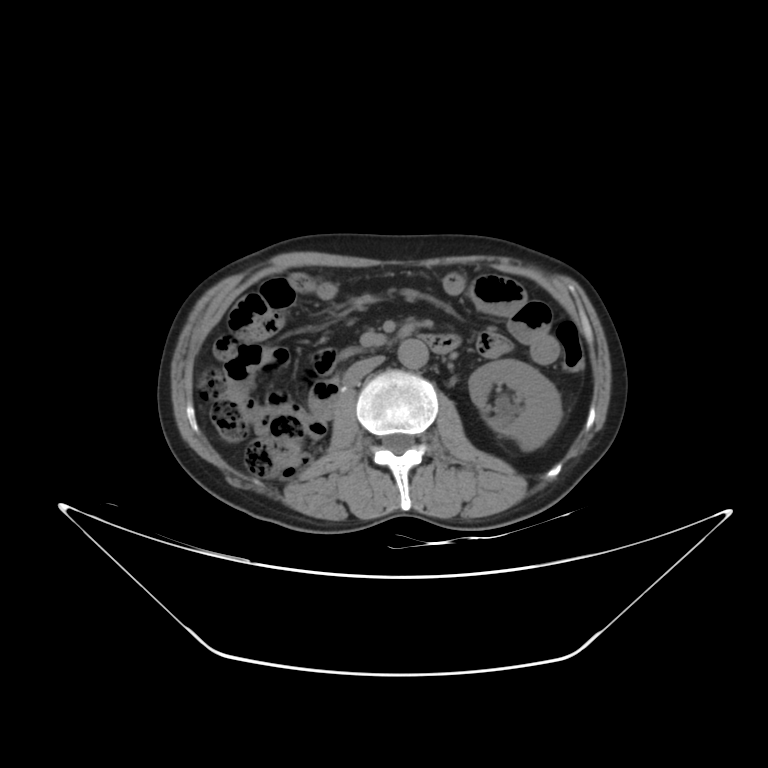

Computed tomography, abdomen · axial view
{"organs":{"pancreas":[348,351,351,352],"inferior vena cava":[343,355,384,387],"duodenum":[309,335,459,420],"aorta":[398,339,428,368],"left kidney":[468,359,562,450]}}